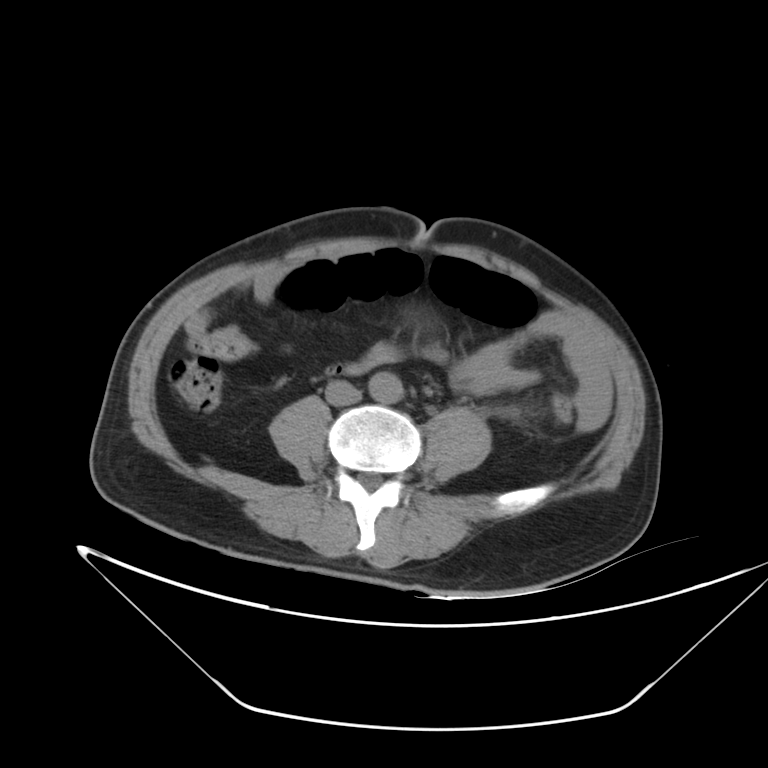

CT abdomen · axial plane, index 49 · 47-year-old male patient
<organs><organ name="aorta" x1="369" y1="371" x2="402" y2="402"/><organ name="inferior vena cava" x1="326" y1="381" x2="361" y2="405"/></organs>